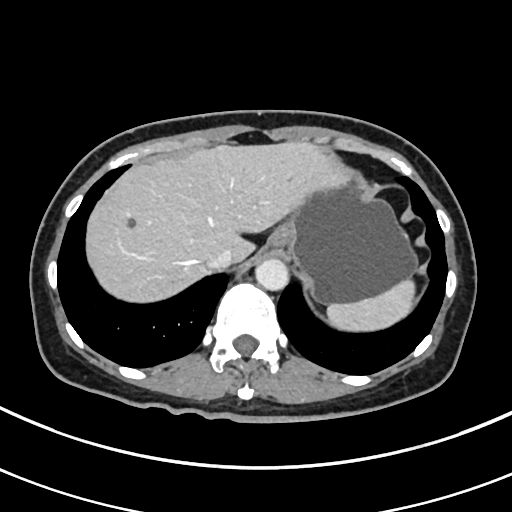 CT abdomen — Axial slice 171/192 — soft-tissue window (W 400 / L 40)
Boxes are (x1, y1, x2, y2) in pixels. Labeled organs on this slice: liver at (86, 141, 348, 302), aorta at (255, 258, 288, 290), inferior vena cava at (207, 251, 234, 268), spleen at (327, 279, 415, 331), esophagus at (268, 224, 290, 248), stomach at (274, 177, 416, 303).